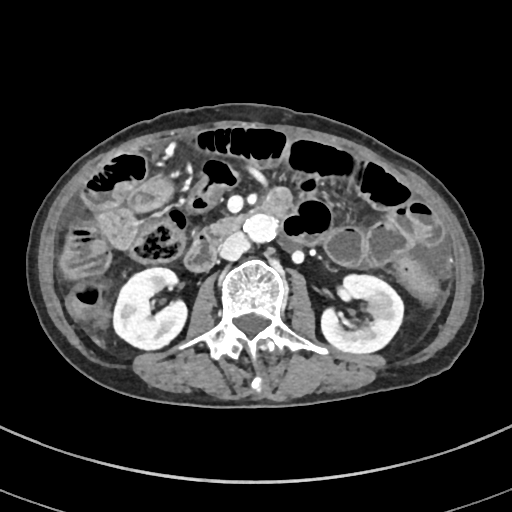
Abdominal CT · axial plane, index 109
{"organs":{"right kidney":[113,267,187,349],"left kidney":[321,274,403,353],"aorta":[244,214,278,242],"inferior vena cava":[218,232,249,260],"duodenum":[184,187,292,271]}}